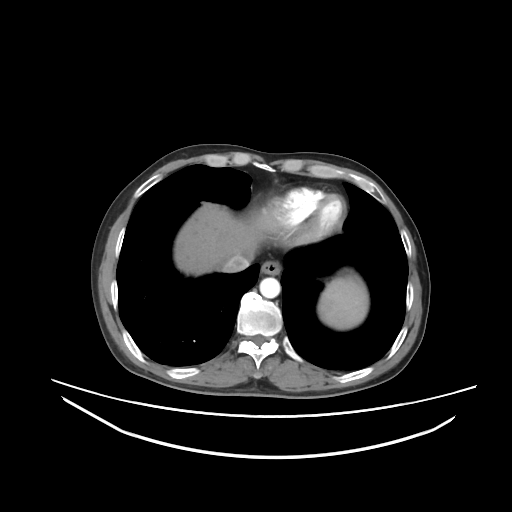
Computed tomography, abdomen · axial view · W/L 400/40 HU · 512x512 px
<organs><organ name="inferior vena cava" x1="221" y1="254" x2="251" y2="272"/><organ name="esophagus" x1="261" y1="262" x2="280" y2="274"/><organ name="liver" x1="174" y1="203" x2="276" y2="275"/><organ name="spleen" x1="318" y1="275" x2="368" y2="329"/><organ name="aorta" x1="259" y1="277" x2="280" y2="298"/></organs>